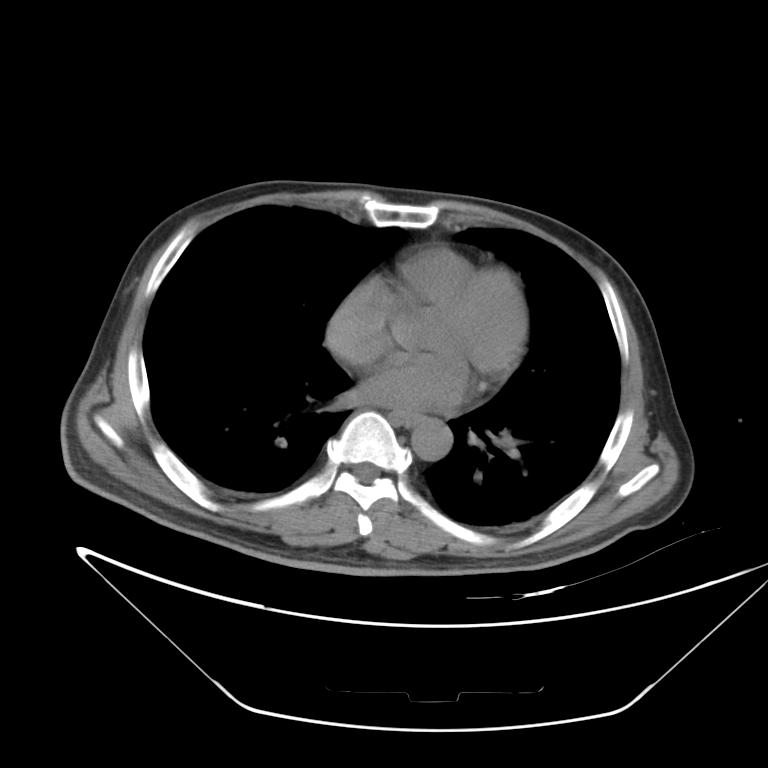

Abdominal CT; this slice is in the lower chest, just above the liver · axial view · 768x768 px · scan has 15 labeled organs (a whole-scan count: organs this slice does not pass through have no box)
The heart and lungs are never labeled in this dataset, so they have no box on this slice.
Bounding boxes in pixels, one row per box: x1, y1 is the top-left corner and x2, y2 the bottom-right.
| organ | x1 | y1 | x2 | y2 |
|---|---|---|---|---|
| esophagus | 391 | 410 | 421 | 425 |
| aorta | 411 | 418 | 452 | 460 |